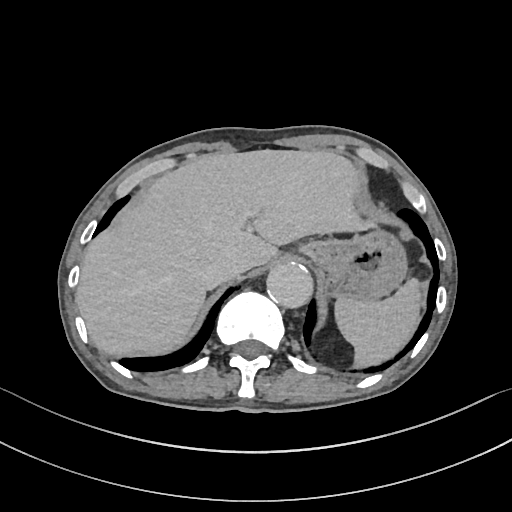

Computed tomography, abdomen — axial view — 512x512 px — acquired on SOMATOM Force
{"organs":{"spleen":[333,277,422,368],"liver":[76,149,373,355],"stomach":[306,230,408,300],"aorta":[266,261,312,307],"inferior vena cava":[201,256,238,285]}}